Computed tomography, abdomen. axial view. soft-tissue window (W 400 / L 40). scan has 15 labeled organs (a whole-scan count: organs this slice does not pass through have no box)
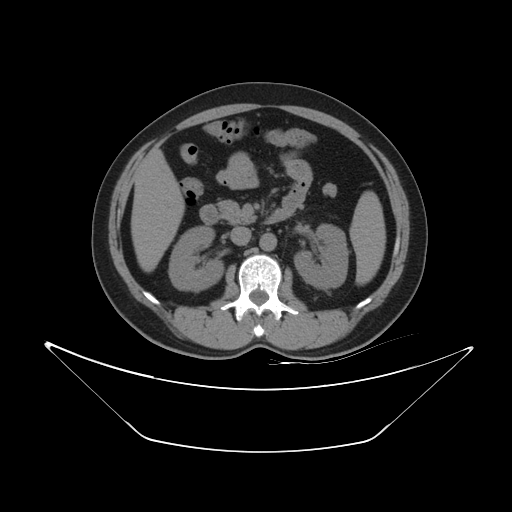
Each box given as x1,y1,x2,y2.
spleen: x1=350, y1=190, x2=386, y2=284
right kidney: x1=169, y1=226, x2=223, y2=291
left kidney: x1=294, y1=223, x2=348, y2=288
liver: x1=130, y1=149, x2=185, y2=271
aorta: x1=259, y1=233, x2=276, y2=251
inferior vena cava: x1=230, y1=226, x2=251, y2=245
pancreas: x1=217, y1=200, x2=256, y2=223
duodenum: x1=199, y1=204, x2=284, y2=223